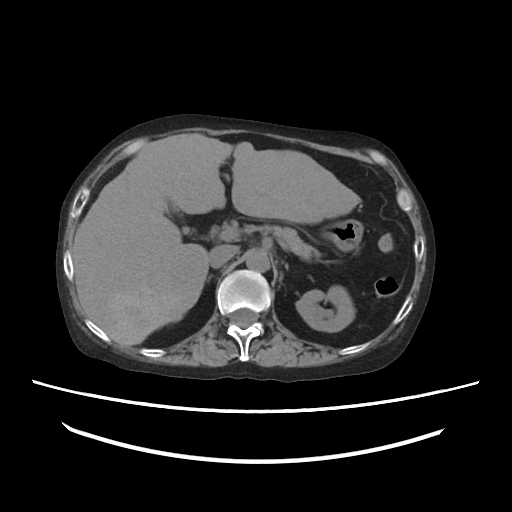 Abdominal CT. axial view. soft-tissue window. 512x512 px. 61-year-old female patient. 15 organs annotated in this scan (a whole-scan count: organs this slice does not pass through have no box)
{"organs":{"left kidney":[296,285,354,332],"gall bladder":[171,205,177,210],"liver":[72,133,360,346],"stomach":[320,219,362,250],"aorta":[245,249,269,271],"inferior vena cava":[209,245,237,267],"pancreas":[257,225,321,260],"right adrenal gland":[206,274,211,281],"left adrenal gland":[285,263,288,269]}}